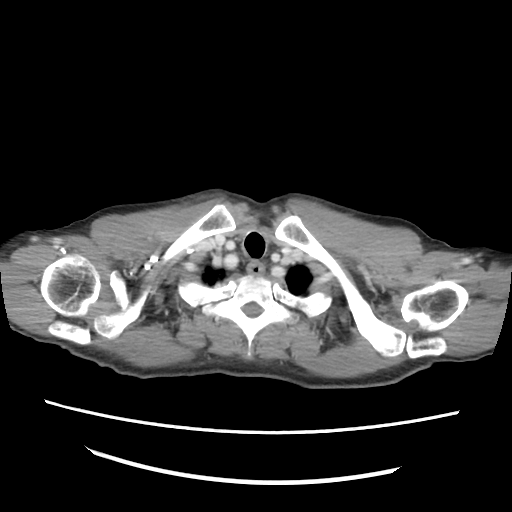 Abdominal CT reaching into the chest; this slice is in the chest · axial view · soft-tissue window · 512x512 px · scan has 15 labeled organs (a whole-scan count: organs this slice does not pass through have no box)
At this level of the chest no structure but the esophagus and the aorta has a label in this dataset, and those two are boxed only where they are labeled.
Boxes are (x1, y1, x2, y2) in pixels.
Organ bounding boxes:
- esophagus: (248, 262, 262, 276)